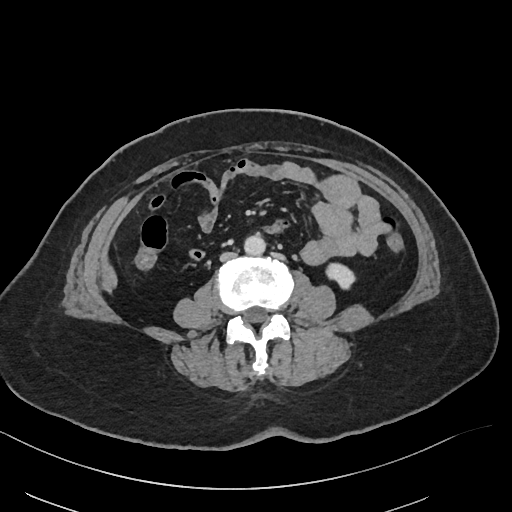 CT, abdomen/pelvis. axial plane, index 121. W/L 400/40 HU
{"organs":{"left kidney":[326,263,355,289],"aorta":[244,234,265,255],"inferior vena cava":[220,252,236,261]}}